CT abdomen · axial view
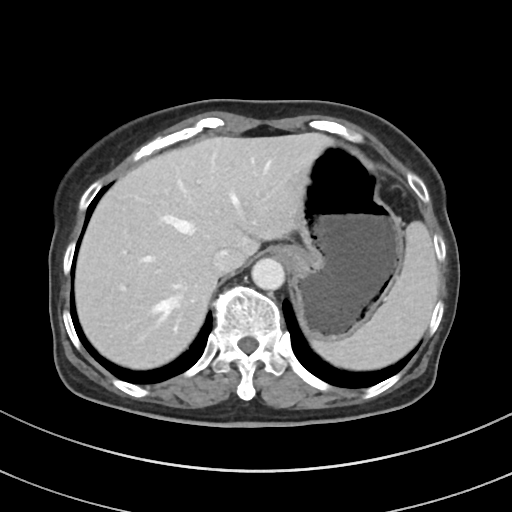
<organs><organ name="spleen" x1="312" y1="221" x2="439" y2="370"/><organ name="liver" x1="74" y1="132" x2="333" y2="369"/><organ name="stomach" x1="276" y1="142" x2="402" y2="339"/><organ name="aorta" x1="251" y1="258" x2="284" y2="290"/><organ name="inferior vena cava" x1="212" y1="248" x2="245" y2="275"/></organs>